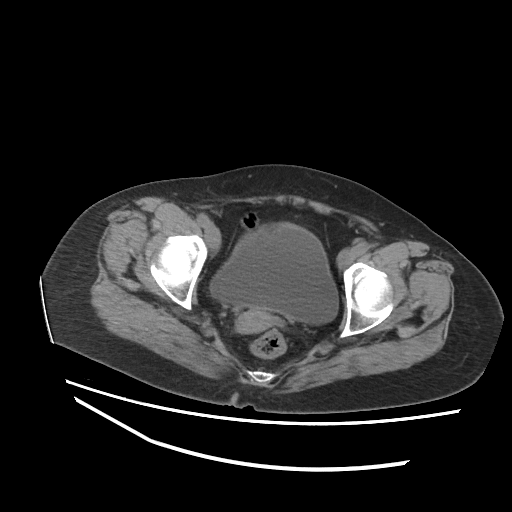 Computed tomography, abdomen — axial plane, index 15 — soft-tissue window (W 400 / L 40) — 57-year-old female patient
<organs><organ name="bladder" x1="210" y1="224" x2="338" y2="324"/><organ name="prostate/uterus" x1="236" y1="308" x2="274" y2="333"/></organs>